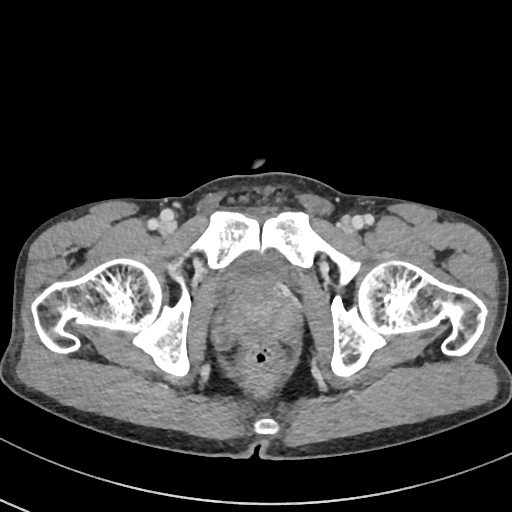

CT abdomen. axial plane, index 33. SOMATOM Force scanner
Box edges are left/top/right/bottom in pixels. Labeled organs on this slice: bladder at left=231, top=253, right=285, bottom=284, prostate/uterus at left=227, top=282, right=296, bottom=338.